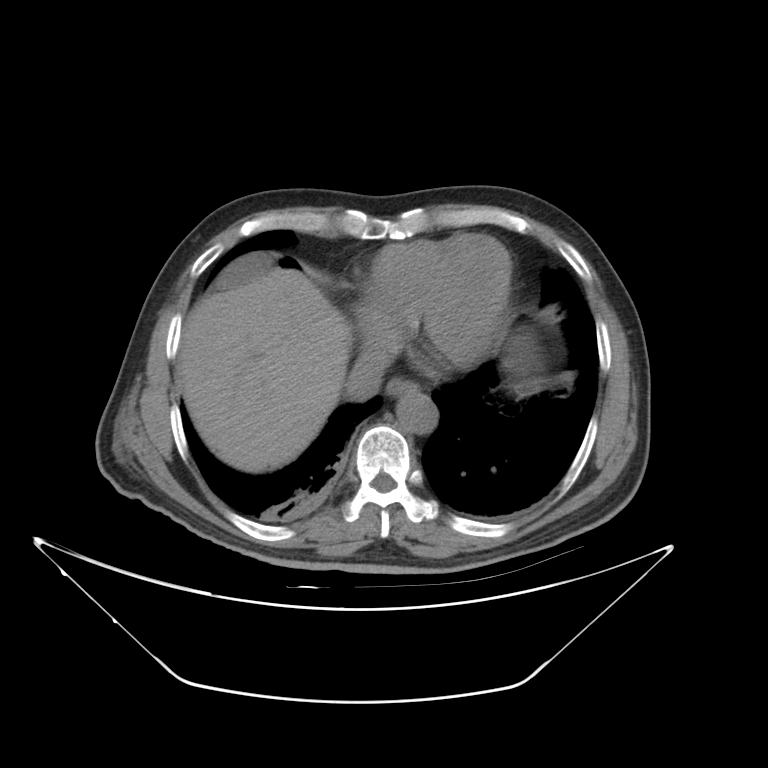 CT abdomen · Axial slice 88/99 · soft-tissue window
{"organs":{"liver":[177,269,349,473],"gall bladder":[213,253,271,290],"esophagus":[384,377,420,397],"stomach":[504,328,540,399],"aorta":[395,394,436,431],"inferior vena cava":[345,344,389,399]}}